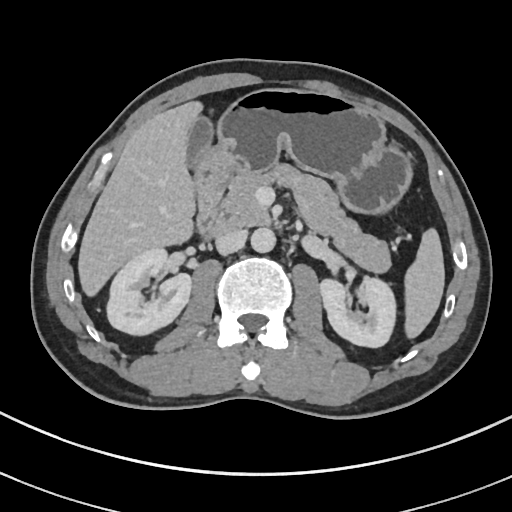
Abdominal CT · Axial slice 127/298 · W/L 400/40 HU · scan has 15 labeled organs (counted over the whole 3D scan, not this slice; an organ is boxed only where this slice passes through it)
Bounding boxes as [x1, y1, x2, y2] in pixel coordinates.
pancreas: [220, 164, 391, 272]
stomach: [194, 88, 412, 214]
inferior vena cava: [216, 230, 247, 254]
aorta: [251, 228, 276, 253]
right kidney: [106, 248, 191, 334]
duodenum: [195, 196, 230, 238]
spleen: [404, 228, 444, 338]
gall bladder: [187, 116, 213, 167]
liver: [78, 101, 202, 296]
left kidney: [320, 278, 396, 347]